CT, abdomen/pelvis · Axial slice 51/80 · 512x512 px
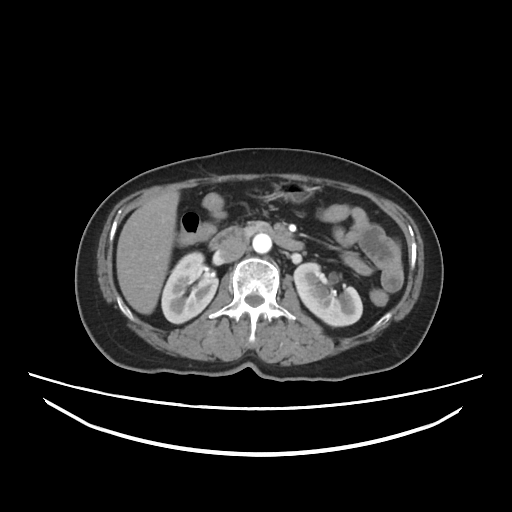 Organ boxes in pixel coordinates; each row gives the top-left (x1, y1) and bottom-right (x2, y2) corners.
| organ | x1 | y1 | x2 | y2 |
|---|---|---|---|---|
| right kidney | 160 | 252 | 217 | 323 |
| left kidney | 295 | 262 | 362 | 324 |
| liver | 115 | 190 | 179 | 314 |
| stomach | 269 | 178 | 312 | 200 |
| aorta | 253 | 234 | 271 | 253 |
| inferior vena cava | 218 | 238 | 249 | 261 |
| pancreas | 243 | 220 | 275 | 237 |
| duodenum | 211 | 225 | 303 | 249 |